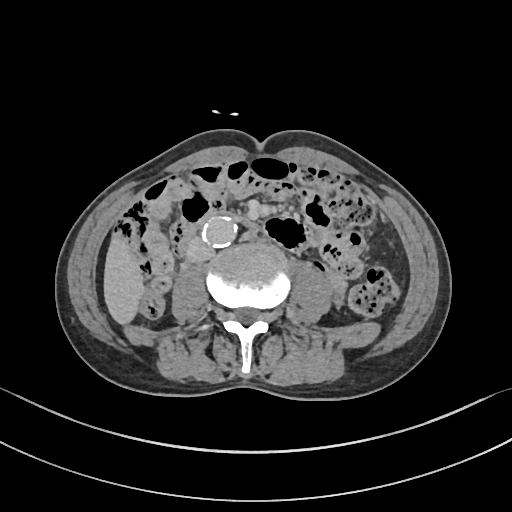
Abdominal CT. Axial slice 121/204. soft-tissue window (W 400 / L 40). 512x512 px. SOMATOM Force scanner
Organ boxes in pixel coordinates; each row gives the top-left (x1, y1) and bottom-right (x2, y2) corners.
| organ | x1 | y1 | x2 | y2 |
|---|---|---|---|---|
| inferior vena cava | 187 | 240 | 214 | 262 |
| liver | 103 | 234 | 144 | 324 |
| aorta | 202 | 217 | 236 | 247 |